Computed tomography, abdomen · Axial slice 74/95 · soft-tissue window
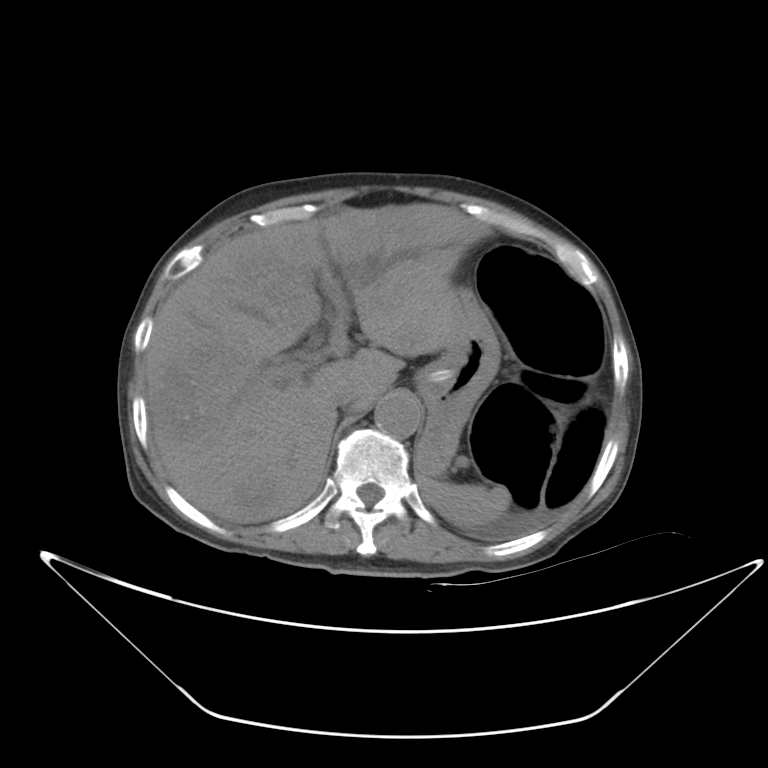 {"organs":{"spleen":[417,461,510,530],"liver":[144,203,484,523],"stomach":[414,285,499,476],"aorta":[375,393,421,438],"inferior vena cava":[332,392,357,410]}}